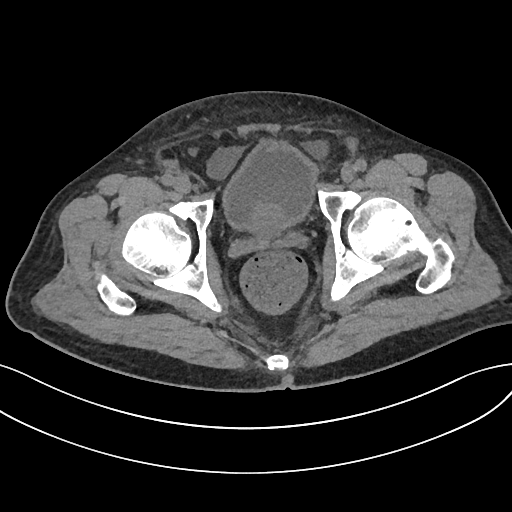

CT abdomen; axial view; 512x512 px; acquired on SOMATOM Force; scan has 15 labeled organs (a whole-scan count: organs this slice does not pass through have no box)
Each box given as x1,y1,x2,y2.
bladder: x1=223, y1=142, x2=316, y2=228
prostate/uterus: x1=251, y1=205, x2=285, y2=235